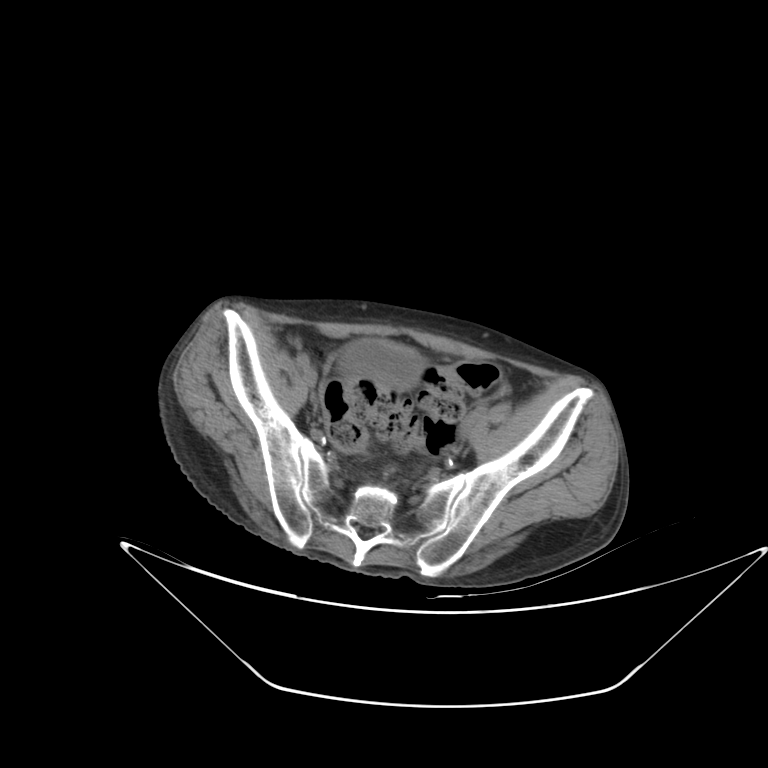

CT abdomen; axial view; Brilliance16 scanner
Boxes are (x1, y1, x2, y2) in pixels.
Organ bounding boxes:
- bladder: (339, 339, 425, 387)